CT, abdomen/pelvis · axial view · soft-tissue window (W 400 / L 40)
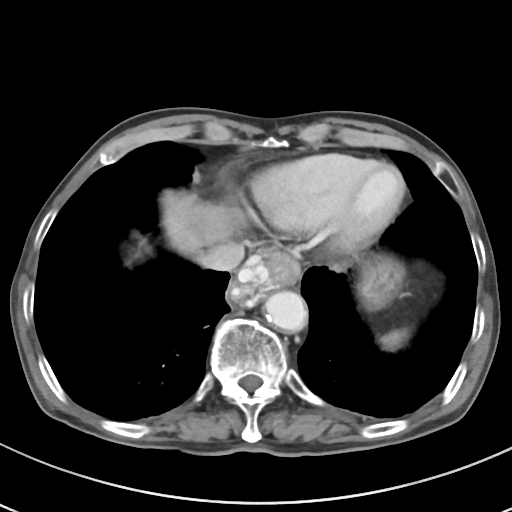

<organs><organ name="spleen" x1="382" y1="330" x2="406" y2="346"/><organ name="esophagus" x1="227" y1="247" x2="300" y2="310"/><organ name="liver" x1="162" y1="191" x2="234" y2="258"/><organ name="stomach" x1="357" y1="258" x2="403" y2="309"/><organ name="aorta" x1="264" y1="291" x2="307" y2="331"/><organ name="inferior vena cava" x1="197" y1="242" x2="244" y2="271"/></organs>